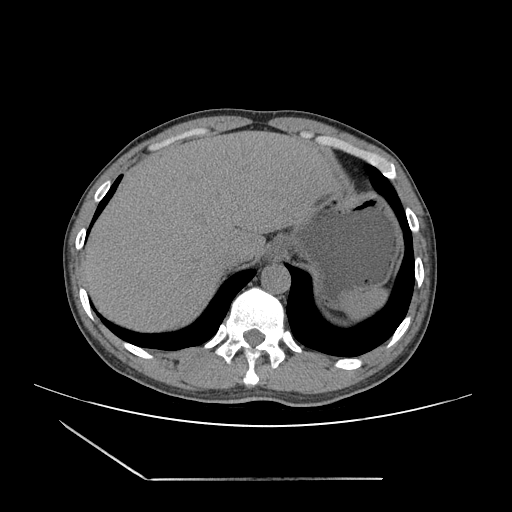 CT, abdomen/pelvis; Axial slice 154/173; acquired on SOMATOM Force
Bounding boxes as [x1, y1, x2, y2] in pixel coordinates.
spleen: [340, 287, 387, 319]
esophagus: [266, 239, 286, 259]
liver: [83, 130, 338, 331]
stomach: [276, 193, 400, 298]
aorta: [261, 263, 290, 293]
inferior vena cava: [218, 244, 243, 268]